CT abdomen · axial view · abdomen soft-tissue window
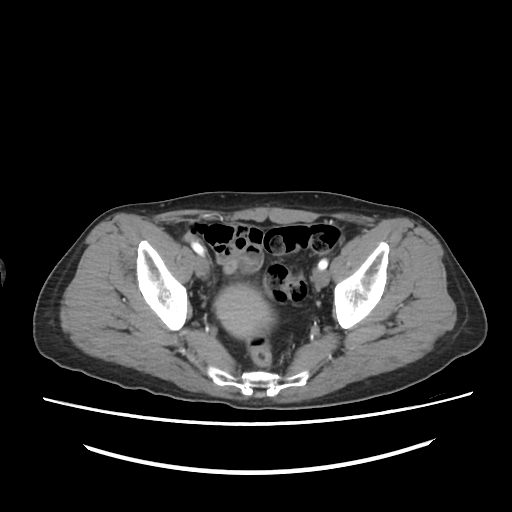 Boxes: x1:y1:x2:y2 in pixels. The annotated organs in this slice are: bladder at 215:279:278:338.